CT, abdomen/pelvis. axial view. scan has 15 labeled organs (that count is for the whole scan; organs this slice misses have no box)
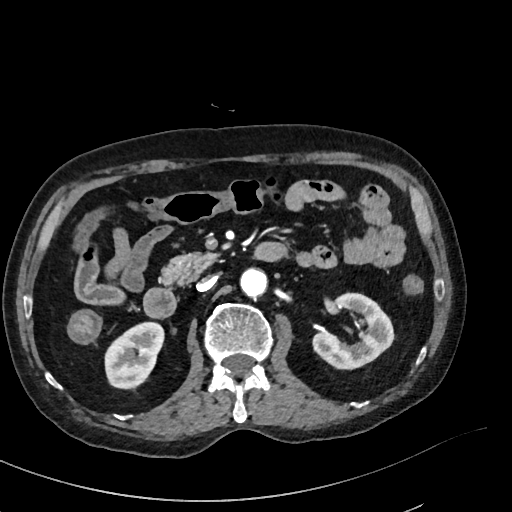 <organs><organ name="right kidney" x1="105" y1="322" x2="164" y2="388"/><organ name="left kidney" x1="313" y1="293" x2="393" y2="368"/><organ name="aorta" x1="240" y1="268" x2="267" y2="297"/><organ name="inferior vena cava" x1="197" y1="275" x2="217" y2="291"/><organ name="pancreas" x1="160" y1="252" x2="217" y2="285"/><organ name="duodenum" x1="144" y1="288" x2="176" y2="317"/></organs>